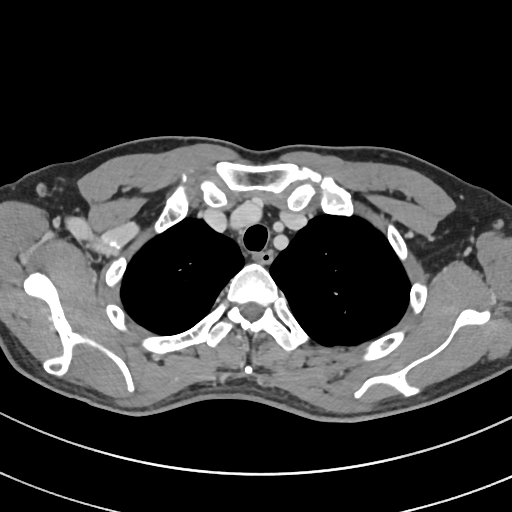
CT of the abdomen extending into the chest, slice through the chest · axial view
At this level of the chest this dataset labels only the esophagus and the aorta, and each is boxed only where it is labeled; the heart and lungs are never labeled.
Organ boxes in pixel coordinates; each row gives the top-left (x1, y1) and bottom-right (x2, y2) corners.
| organ | x1 | y1 | x2 | y2 |
|---|---|---|---|---|
| esophagus | 255 | 250 | 273 | 263 |